Computed tomography, abdomen. axial view. scan has 15 labeled organs (that count is for the whole scan; organs this slice misses have no box)
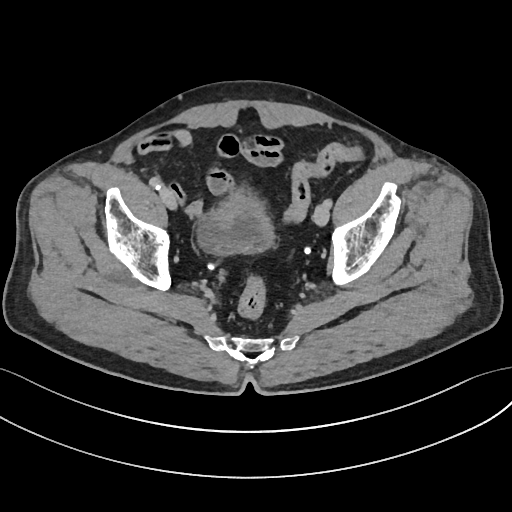

Boxes: x1:y1:x2:y2 in pixels.
bladder: 197:191:275:253